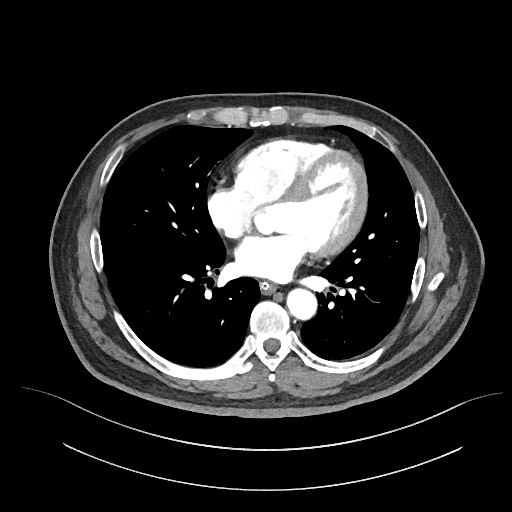 Abdominal CT; this slice is in the lower chest, just above the liver; axial view; W/L 400/40 HU; acquired on SOMATOM Force
The heart and lungs are never labeled in this dataset, so they have no box on this slice.
<organs><organ name="esophagus" x1="260" y1="282" x2="277" y2="294"/><organ name="aorta" x1="287" y1="290" x2="317" y2="320"/></organs>